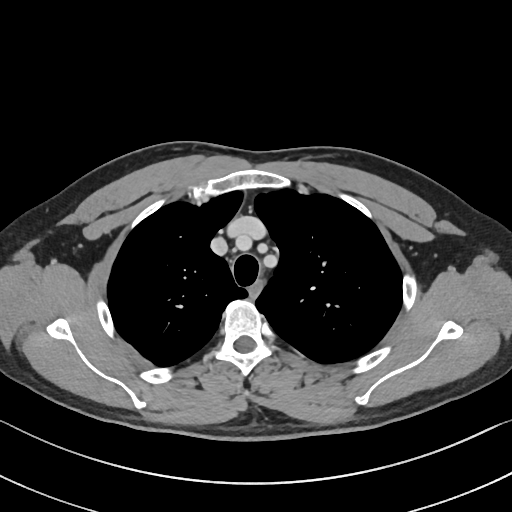

CT of the abdomen extending into the chest, slice through the chest — Axial slice 260/291 — 512x512 px
At this level of the chest no structure but the esophagus and the aorta has a label in this dataset, and those two are boxed only where they are labeled.
<organs><organ name="esophagus" x1="248" y1="282" x2="262" y2="298"/></organs>